Chest-level slice from an abdominal CT that extends up into the chest — axial view — SOMATOM Force scanner — scan has 15 labeled organs (that count is for the whole scan; organs this slice misses have no box)
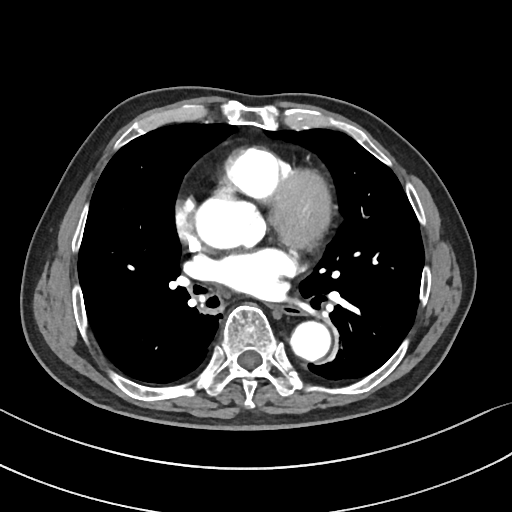

On a slice this high in the chest, this dataset labels only the esophagus and the aorta, and each is boxed only where it is labeled; the heart, lungs and other chest structures are not labeled. Boxes: x1:y1:x2:y2 in pixels. The annotated organs in this slice are: aorta at 197:199:253:247, aorta at 290:321:330:361, esophagus at 272:305:297:314.